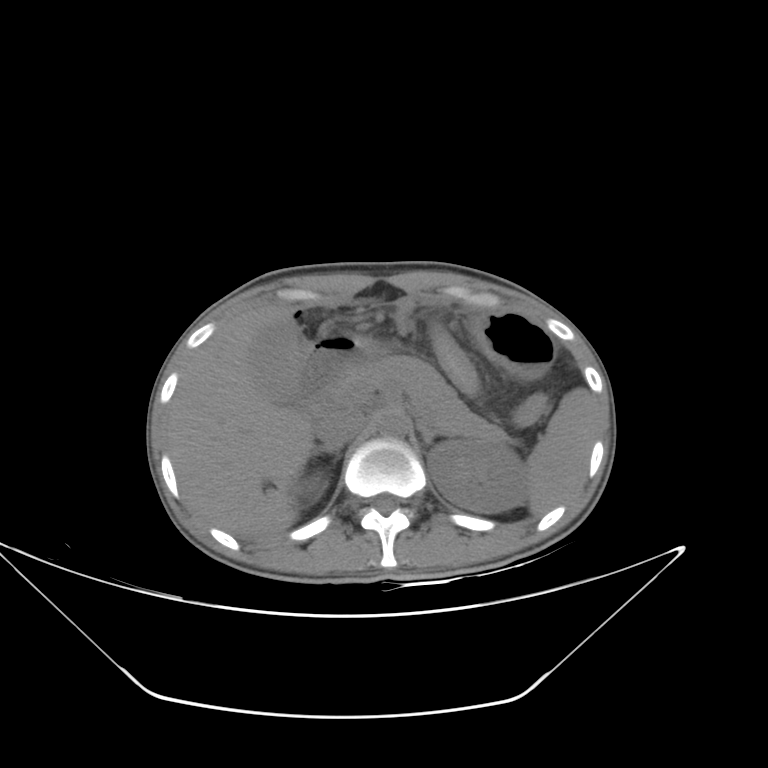 Abdominal CT; Axial slice 76/103; soft-tissue window; 768x768 px; 15 organs annotated in this scan (that count is for the whole scan; organs this slice misses have no box)
{"organs":{"left kidney":[427,440,528,513],"aorta":[377,410,408,437],"liver":[167,304,314,538],"right kidney":[299,472,326,500],"spleen":[526,387,597,516],"left adrenal gland":[420,425,443,446],"stomach":[316,311,555,377],"right adrenal gland":[313,446,340,463],"inferior vena cava":[314,410,364,448],"pancreas":[342,355,509,444],"duodenum":[293,346,344,404],"gall bladder":[250,319,303,398]}}